Abdominal CT; axial view; W/L 400/40 HU; 15 organs annotated in this scan (counted over the whole 3D scan, not this slice; an organ is boxed only where this slice passes through it)
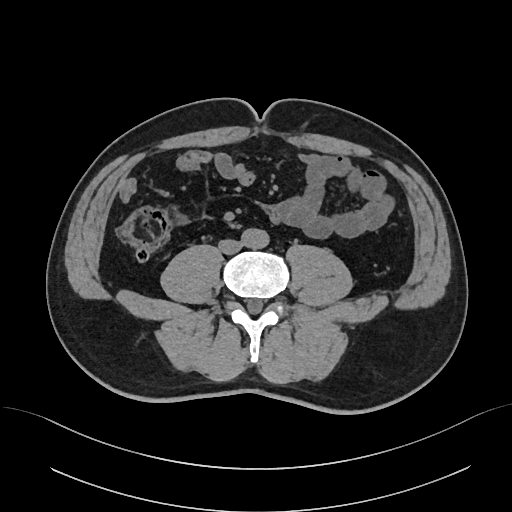

Boxes: x1 y1 x2 y2 (pixel coords, space-separated).
Organ bounding boxes:
- aorta: 242 228 268 248
- inferior vena cava: 219 239 241 253